CT abdomen. axial view. abdomen soft-tissue window. acquired on Brilliance16
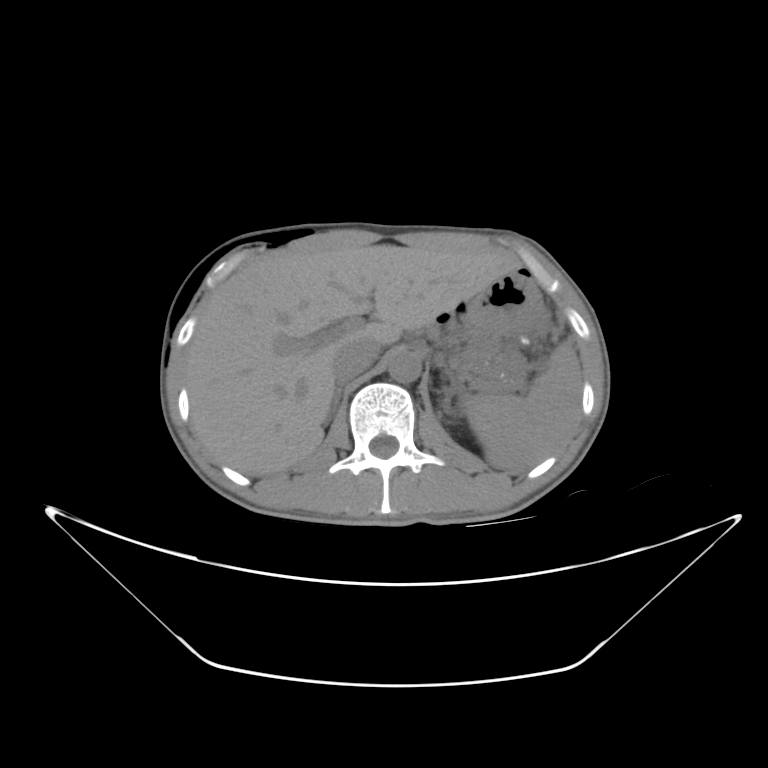
Bounding boxes as [x1, y1, x2, y2] in pixel coordinates.
spleen: [464, 344, 584, 472]
liver: [187, 243, 529, 477]
stomach: [467, 273, 540, 338]
aorta: [387, 352, 421, 382]
inferior vena cava: [329, 338, 376, 381]
pancreas: [465, 328, 506, 381]
right adrenal gland: [325, 381, 347, 425]